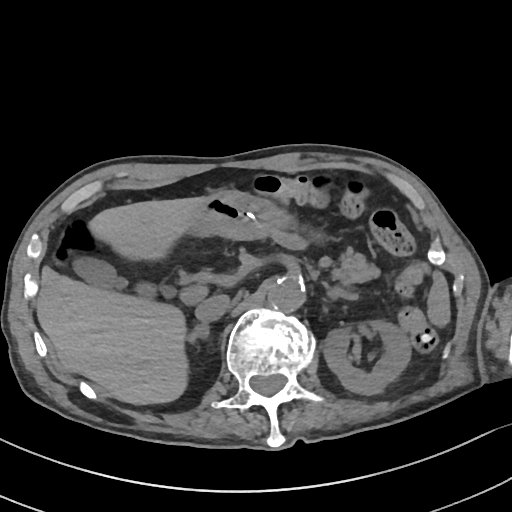
Computed tomography, abdomen. axial view. W/L 400/40 HU. 512x512 px. SOMATOM Force scanner
<organs><organ name="spleen" x1="427" y1="271" x2="450" y2="325"/><organ name="left kidney" x1="323" y1="320" x2="411" y2="394"/><organ name="gall bladder" x1="73" y1="256" x2="126" y2="288"/><organ name="liver" x1="36" y1="197" x2="204" y2="404"/><organ name="stomach" x1="189" y1="189" x2="292" y2="240"/><organ name="aorta" x1="267" y1="277" x2="305" y2="312"/><organ name="inferior vena cava" x1="195" y1="295" x2="229" y2="322"/><organ name="pancreas" x1="340" y1="248" x2="378" y2="283"/><organ name="right adrenal gland" x1="187" y1="323" x2="209" y2="342"/><organ name="left adrenal gland" x1="326" y1="285" x2="359" y2="301"/><organ name="duodenum" x1="136" y1="283" x2="155" y2="295"/></organs>